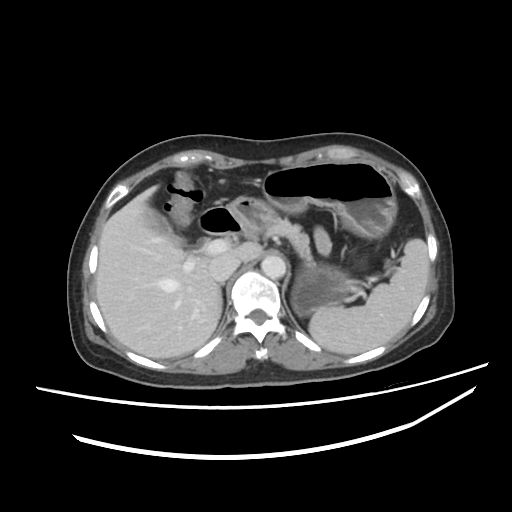

Computed tomography, abdomen. axial view
Boxes: x1 y1 x2 y2 (pixel coords, space-separated).
spleen: 309 239 429 354
pancreas: 247 215 311 260
gall bladder: 145 207 187 246
duodenum: 199 205 242 235
stomach: 230 161 396 316
liver: 95 185 262 358
right adrenal gland: 220 282 224 288
inferior vena cava: 209 254 239 281
aorta: 261 255 285 279